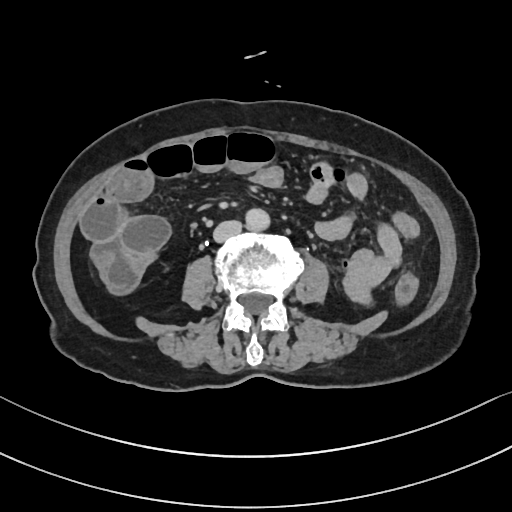
CT, abdomen/pelvis; axial plane, index 106; scan has 15 labeled organs (a whole-scan count: organs this slice does not pass through have no box)
Boxes are (x1, y1, x2, y2) in pixels.
Organ bounding boxes:
- aorta: (245, 208, 269, 230)
- inferior vena cava: (213, 220, 242, 242)